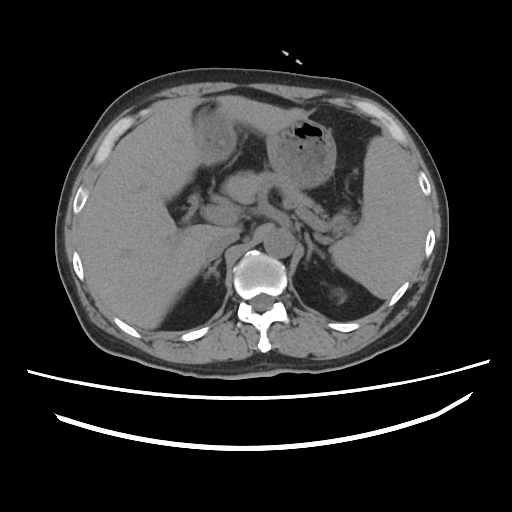
Computed tomography, abdomen. axial plane, index 78. soft-tissue window (W 400 / L 40)
Boxes: x1:y1:x2:y2 in pixels. The annotated organs in this slice are: spleen at 330:136:427:299, left kidney at 334:290:344:299, liver at 82:95:300:329, stomach at 192:106:336:188, aorta at 263:228:294:257, inferior vena cava at 204:231:238:260, pancreas at 225:170:328:216, right adrenal gland at 203:259:220:279, left adrenal gland at 305:232:325:260.